Abdominal CT. axial view
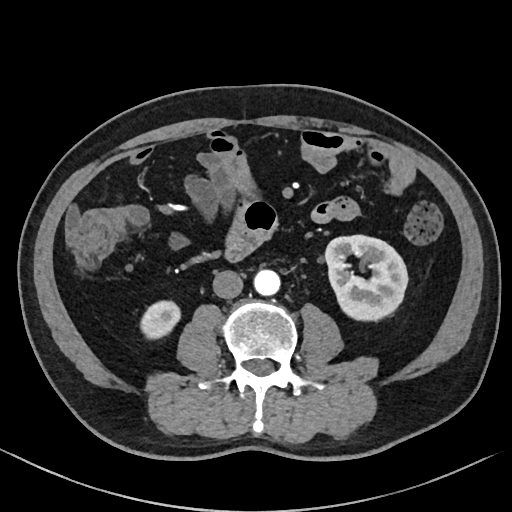

{"organs":{"right kidney":[140,302,179,338],"left kidney":[325,235,408,320],"aorta":[253,269,279,294],"inferior vena cava":[212,270,242,299]}}